Computed tomography, abdomen · axial view · soft-tissue window (W 400 / L 40) · 512x512 px
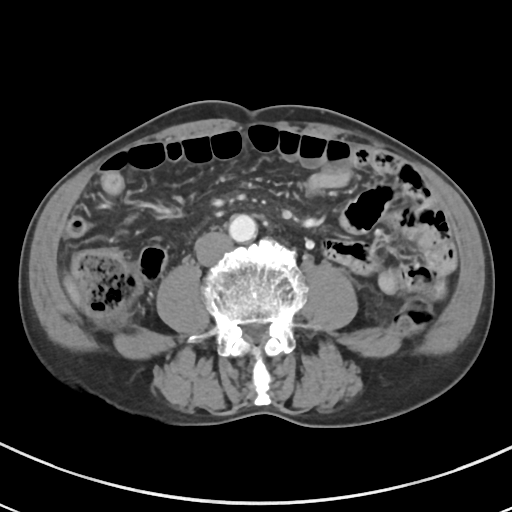

Organ boxes in pixel coordinates; each row gives the top-left (x1, y1) and bottom-right (x2, y2) corners.
| organ | x1 | y1 | x2 | y2 |
|---|---|---|---|---|
| aorta | 229 | 214 | 256 | 242 |
| inferior vena cava | 194 | 231 | 233 | 265 |